Abdominal CT; Axial slice 18/82; abdomen soft-tissue window; 55-year-old male patient; Brilliance16 scanner
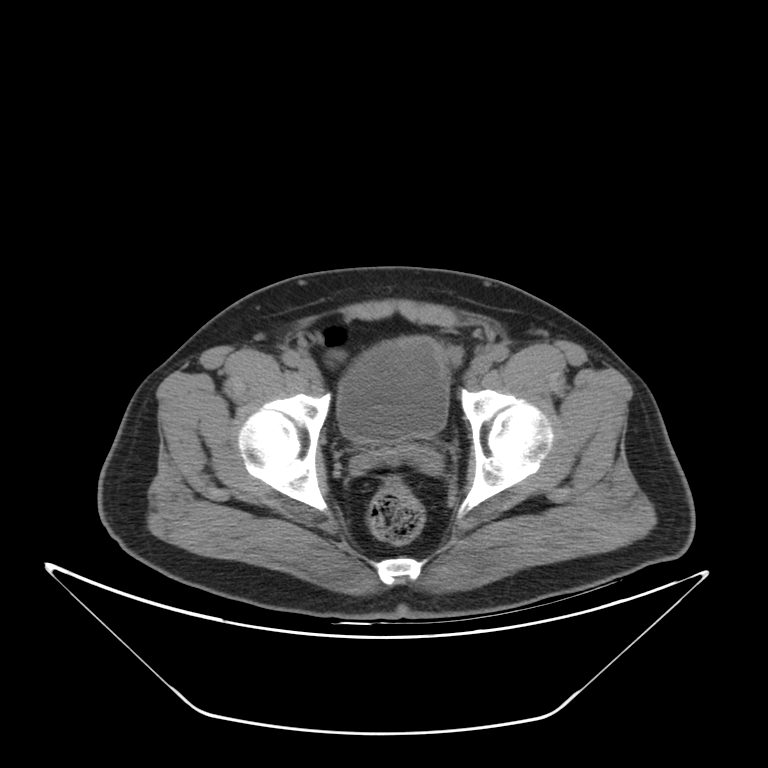

Boxes are (x1, y1, x2, y2) in pixels. 1 labeled organ on this slice — bladder at (337, 337, 448, 442).